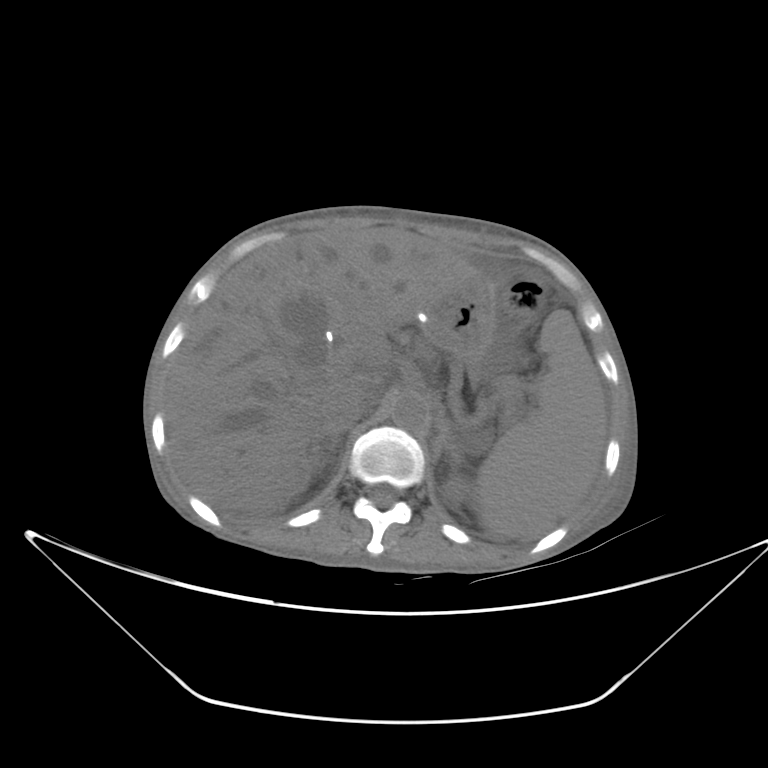

CT, abdomen/pelvis — axial view — soft-tissue window — 56-year-old female patient — acquired on Brilliance16
<organs><organ name="gall bladder" x1="282" y1="301" x2="319" y2="336"/><organ name="liver" x1="164" y1="227" x2="478" y2="515"/><organ name="right kidney" x1="291" y1="449" x2="326" y2="488"/><organ name="inferior vena cava" x1="328" y1="383" x2="375" y2="428"/><organ name="right adrenal gland" x1="311" y1="429" x2="341" y2="452"/><organ name="left adrenal gland" x1="433" y1="418" x2="460" y2="467"/><organ name="left kidney" x1="442" y1="475" x2="472" y2="505"/><organ name="stomach" x1="416" y1="274" x2="496" y2="365"/><organ name="spleen" x1="476" y1="310" x2="606" y2="539"/><organ name="aorta" x1="391" y1="391" x2="429" y2="431"/></organs>